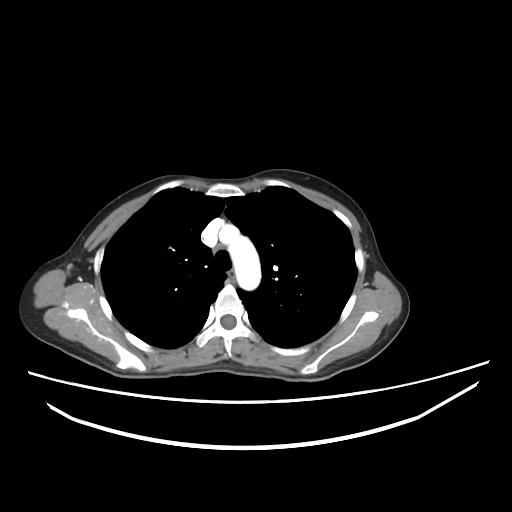 Abdominal CT reaching into the chest; this slice is in the chest; axial plane, index 98; W/L 400/40 HU; 512x512 px; 43-year-old female patient; Aquilion ONE scanner
On a slice this high in the chest, this dataset labels only the esophagus and the aorta, and each is boxed only where it is labeled; the heart, lungs and other chest structures are not labeled.
Boxes: x1 y1 x2 y2 (pixel coords, space-separated).
Organ bounding boxes:
- esophagus: 229 271 235 283
- aorta: 219 225 261 290